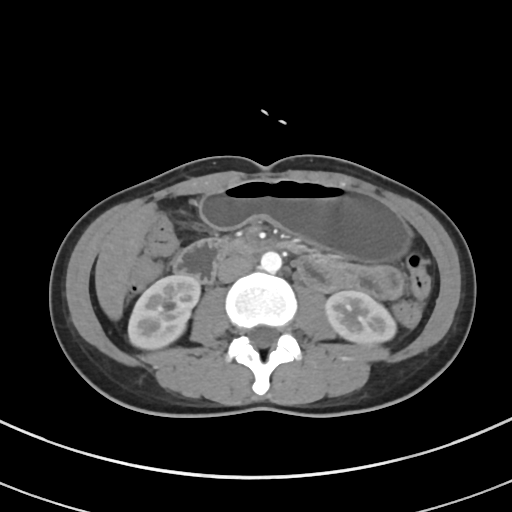 Computed tomography, abdomen. axial view. soft-tissue window. 512x512 px
Bounding boxes in pixels, one row per box: x1, y1 is the top-left corner and x2, y2 the bottom-right.
| organ | x1 | y1 | x2 | y2 |
|---|---|---|---|---|
| right kidney | 128 | 274 | 200 | 349 |
| left kidney | 325 | 290 | 396 | 344 |
| liver | 95 | 204 | 155 | 320 |
| stomach | 200 | 178 | 410 | 262 |
| aorta | 260 | 251 | 281 | 272 |
| inferior vena cava | 217 | 254 | 253 | 282 |
| duodenum | 173 | 239 | 251 | 284 |